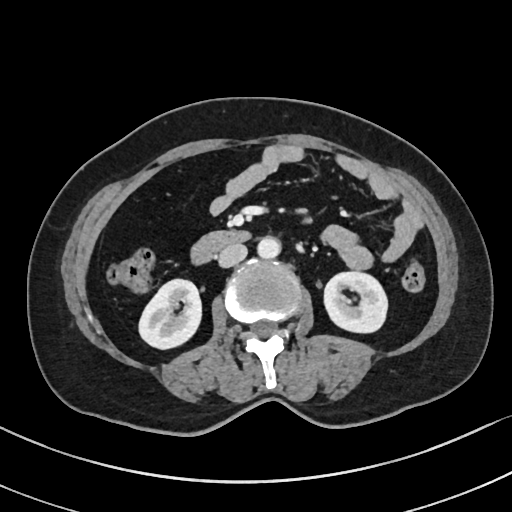
Computed tomography, abdomen · axial plane, index 135 · 14 organs annotated in this scan (a whole-scan count: organs this slice does not pass through have no box)
{"organs":{"right kidney":[139,279,201,348],"left kidney":[324,271,387,332],"aorta":[257,236,280,258],"inferior vena cava":[218,244,247,267],"duodenum":[190,230,251,264]}}